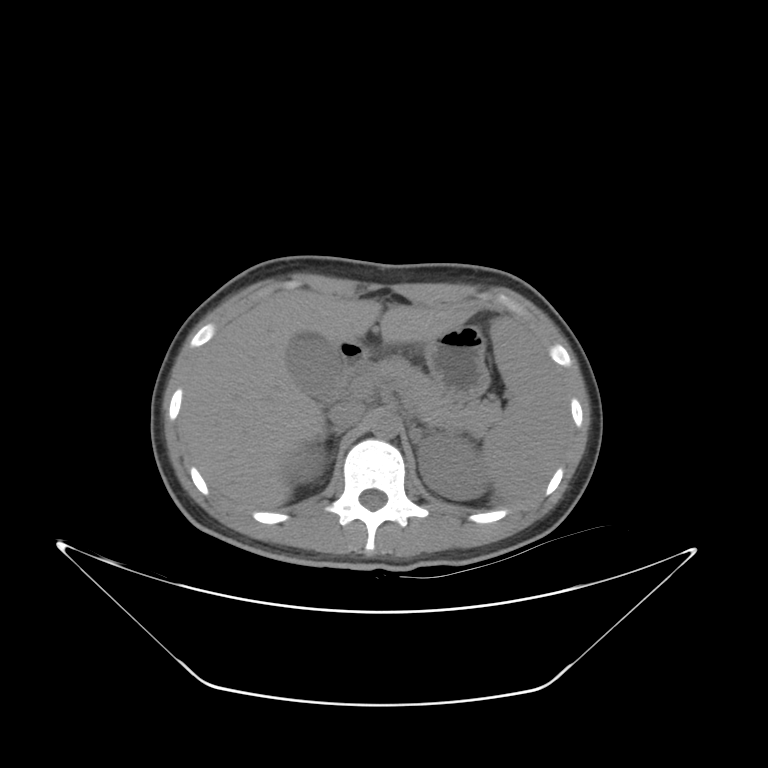

CT, abdomen/pelvis. axial view. acquired on Brilliance16
Bounding boxes in pixels, one row per box: x1, y1 is the top-left corner and x2, y2 the bottom-right.
| organ | x1 | y1 | x2 | y2 |
|---|---|---|---|---|
| gall bladder | 285 | 332 | 344 | 404 |
| left adrenal gland | 409 | 427 | 433 | 446 |
| inferior vena cava | 327 | 402 | 366 | 428 |
| pancreas | 370 | 357 | 500 | 429 |
| duodenum | 339 | 340 | 368 | 383 |
| stomach | 357 | 328 | 488 | 397 |
| right kidney | 289 | 447 | 326 | 483 |
| liver | 181 | 287 | 473 | 508 |
| left kidney | 418 | 436 | 488 | 496 |
| right adrenal gland | 317 | 428 | 343 | 463 |
| aorta | 372 | 411 | 398 | 434 |
| spleen | 481 | 318 | 566 | 502 |